Abdominal CT reaching into the chest; this slice is in the chest; axial plane, index 255; soft-tissue window (W 400 / L 40); 512x512 px; scan has 15 labeled organs (that count is for the whole scan; organs this slice misses have no box)
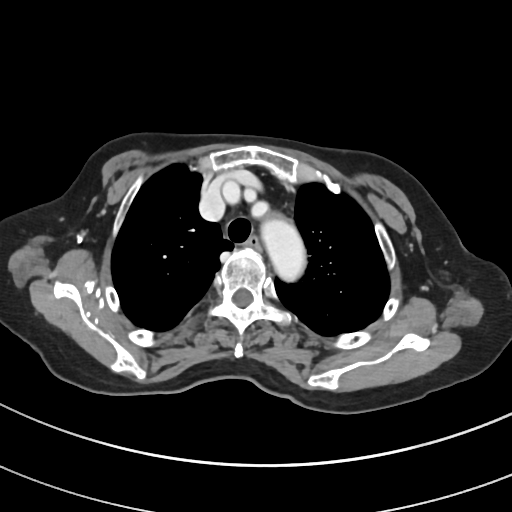

At this level of the chest this dataset labels only the esophagus and the aorta, and each is boxed only where it is labeled; the heart and lungs are never labeled. Boxes: x1 y1 x2 y2 (pixel coords, space-separated). Labeled organs on this slice: esophagus at 248 238 257 247, aorta at 260 215 305 281.